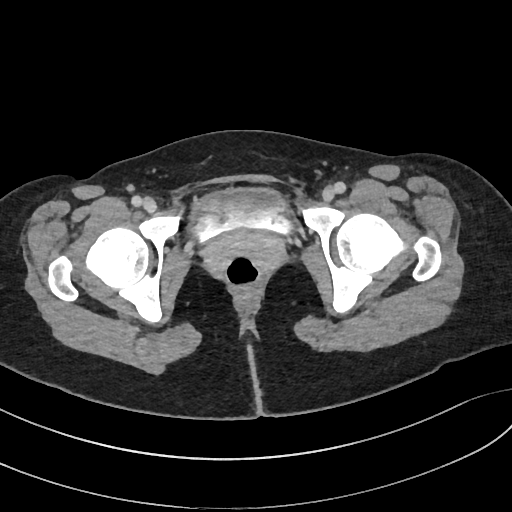

Computed tomography, abdomen — axial plane, index 29 — abdomen soft-tissue window — 512x512 px
Boxes are (x1, y1, x2, y2) in pixels. Labeled organs on this slice: bladder at (190, 188, 293, 241).